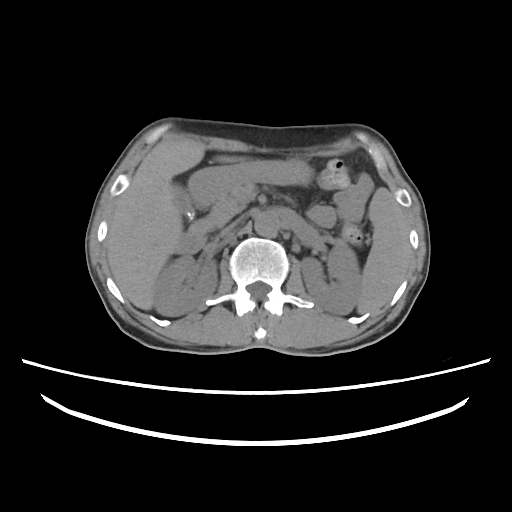

Abdominal CT — Axial slice 68/90 — W/L 400/40 HU
<organs><organ name="spleen" x1="358" y1="187" x2="409" y2="312"/><organ name="right kidney" x1="153" y1="254" x2="217" y2="315"/><organ name="left kidney" x1="300" y1="247" x2="360" y2="316"/><organ name="gall bladder" x1="172" y1="183" x2="195" y2="219"/><organ name="liver" x1="106" y1="138" x2="202" y2="310"/><organ name="stomach" x1="189" y1="161" x2="311" y2="208"/><organ name="aorta" x1="254" y1="210" x2="280" y2="236"/><organ name="inferior vena cava" x1="219" y1="213" x2="246" y2="236"/><organ name="pancreas" x1="191" y1="186" x2="259" y2="245"/><organ name="duodenum" x1="176" y1="229" x2="199" y2="255"/></organs>